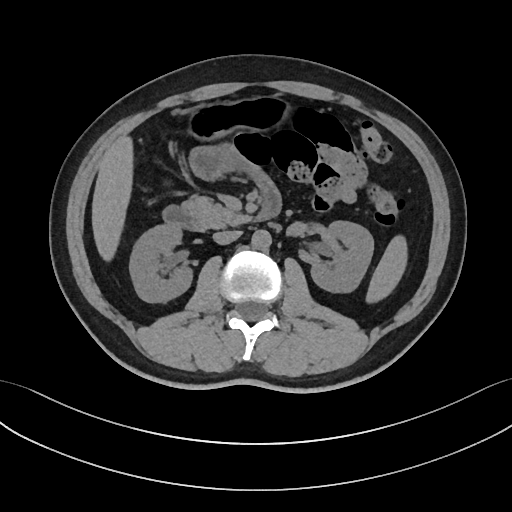
CT abdomen. axial view. W/L 400/40 HU
Organ boxes in pixel coordinates; each row gives the top-left (x1, y1) and bottom-right (x2, y2) corners.
| organ | x1 | y1 | x2 | y2 |
|---|---|---|---|---|
| duodenum | 162 | 188 | 281 | 229 |
| liver | 91 | 136 | 133 | 260 |
| spleen | 365 | 235 | 407 | 302 |
| pancreas | 183 | 194 | 249 | 229 |
| stomach | 181 | 97 | 293 | 143 |
| inferior vena cava | 212 | 230 | 241 | 244 |
| left kidney | 309 | 221 | 373 | 293 |
| right kidney | 129 | 225 | 192 | 302 |
| aorta | 251 | 230 | 271 | 250 |